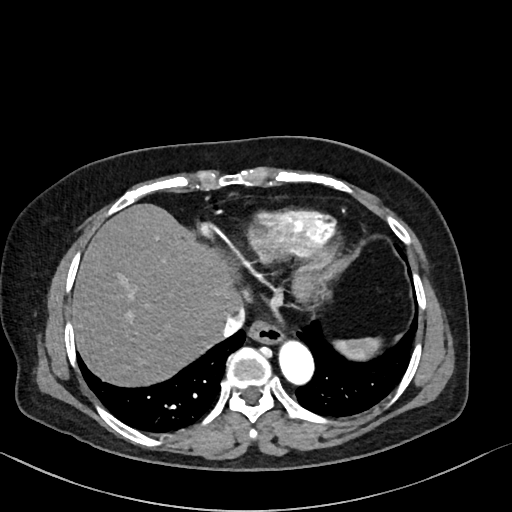 Abdominal CT · axial view · 512x512 px · acquired on SOMATOM Force · scan has 15 labeled organs (counted over the whole 3D scan, not this slice; an organ is boxed only where this slice passes through it)
Box edges are left/top/right/bottom in pixels.
Organ bounding boxes:
- aorta: left=277, top=338, right=313, bottom=385
- inferior vena cava: left=208, top=307, right=242, bottom=341
- liver: left=72, top=203, right=242, bottom=388
- spleen: left=336, top=336, right=378, bottom=359
- esophagus: left=248, top=319, right=281, bottom=342